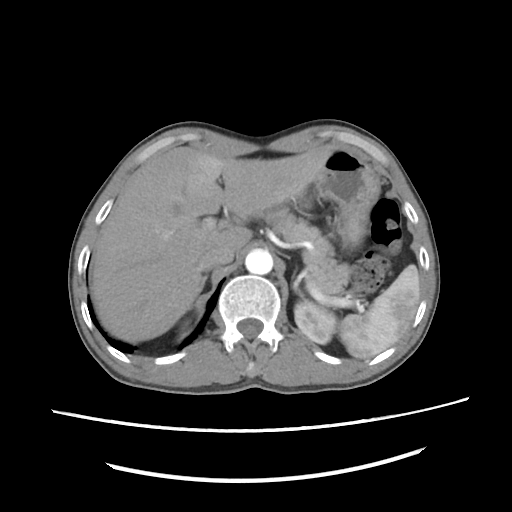 CT, abdomen/pelvis · axial plane, index 74 · soft-tissue window · 55-year-old male patient
Bounding boxes in pixels, one row per box: x1, y1 is the top-left corner and x2, y2 the bottom-right.
| organ | x1 | y1 | x2 | y2 |
|---|---|---|---|---|
| spleen | 333 | 263 | 421 | 358 |
| right kidney | 180 | 323 | 190 | 333 |
| left kidney | 293 | 301 | 334 | 345 |
| liver | 90 | 145 | 334 | 341 |
| stomach | 299 | 146 | 378 | 247 |
| aorta | 245 | 250 | 273 | 274 |
| inferior vena cava | 197 | 242 | 234 | 272 |
| pancreas | 266 | 207 | 354 | 293 |
| right adrenal gland | 203 | 277 | 206 | 287 |
| left adrenal gland | 291 | 271 | 298 | 289 |